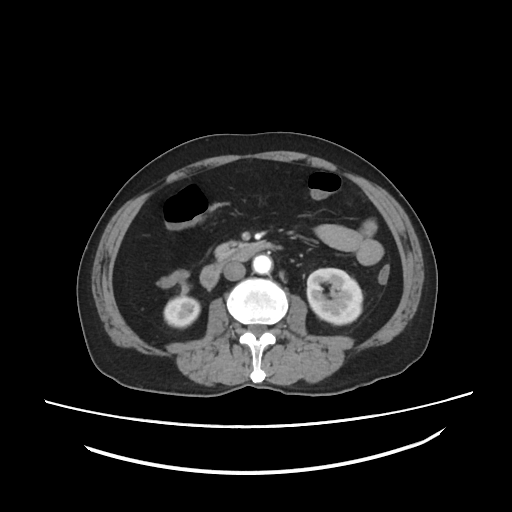 CT abdomen. axial view. 68-year-old male patient
<organs><organ name="right kidney" x1="164" y1="296" x2="200" y2="327"/><organ name="left kidney" x1="307" y1="268" x2="362" y2="324"/><organ name="aorta" x1="252" y1="254" x2="272" y2="274"/><organ name="inferior vena cava" x1="224" y1="261" x2="245" y2="280"/><organ name="pancreas" x1="216" y1="241" x2="248" y2="261"/><organ name="duodenum" x1="200" y1="241" x2="277" y2="288"/></organs>